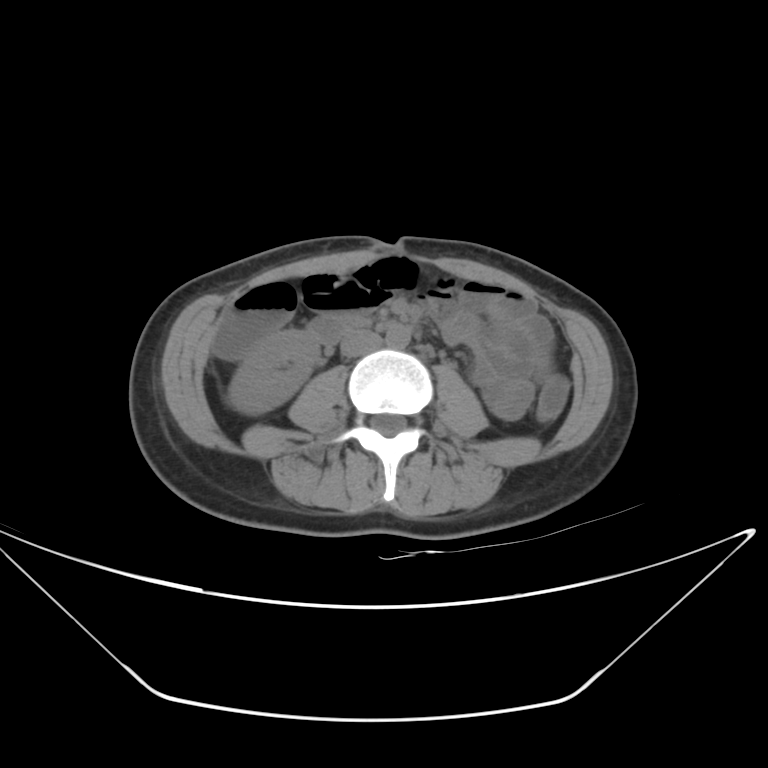 CT abdomen. axial plane, index 52. 768x768 px
Boxes: x1 y1 x2 y2 (pixel coords, space-separated).
right kidney: 228 329 319 414
aorta: 385 326 409 348
inferior vena cava: 340 330 382 357
duodenum: 311 315 365 343